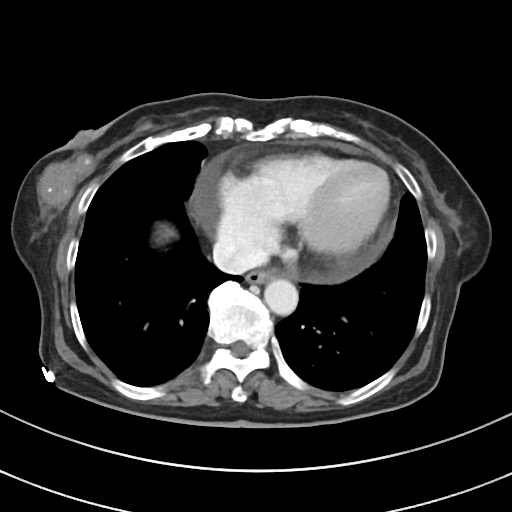 CT of the abdomen reaching into the lower chest, slice just above the liver and spleen; axial view
No part of the heart or lungs is labeled in this dataset, so neither has a box here.
{"organs":{"esophagus":[246,270,275,284],"aorta":[264,279,298,315],"inferior vena cava":[213,238,268,274]}}